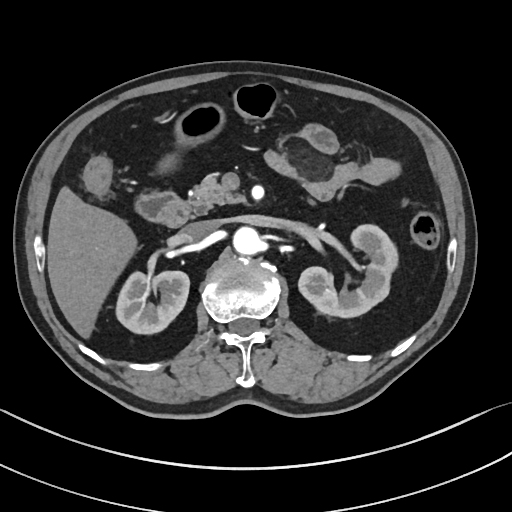 CT abdomen. axial plane, index 150. W/L 400/40 HU. SOMATOM Force scanner
Coordinates as <box>x1,y1,x2,y2</box> in pixels. The annotated organs in this slice are: right kidney at <box>117,271,189,334</box>, left kidney at <box>297,225,397,318</box>, liver at <box>47,186,137,340</box>, stomach at <box>178,102,223,146</box>, aorta at <box>233,227,263,256</box>, inferior vena cava at <box>179,221,216,242</box>, pancreas at <box>189,175,243,213</box>, duodenum at <box>134,189,189,227</box>.